Abdominal CT; axial view; 512x512 px
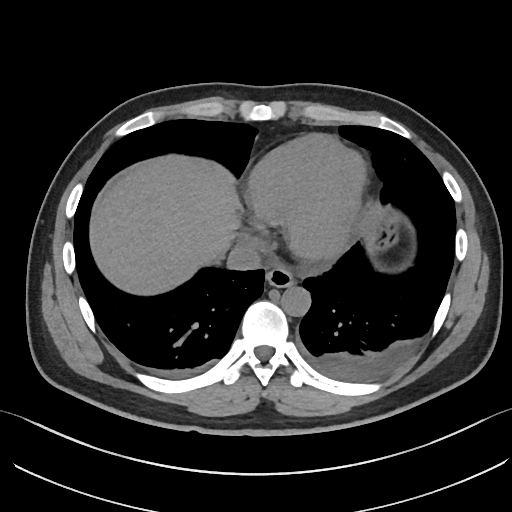

Each box given as x1,y1,x2,y2. Labeled organs on this slice: esophagus at x1=265, y1=266, x2=294, y2=286, liver at x1=89, y1=155, x2=243, y2=295, stomach at x1=366, y1=222, x2=399, y2=256, aorta at x1=280, y1=286, x2=310, y2=316, inferior vena cava at x1=225, y1=245, x2=260, y2=271.